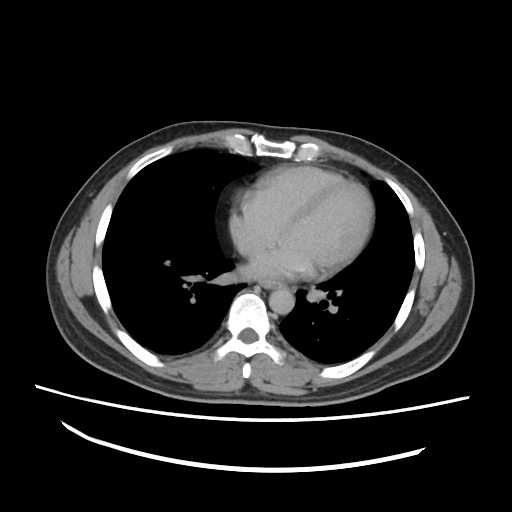
CT of the abdomen reaching into the lower chest, slice just above the liver and spleen · axial view · scan has 15 labeled organs (that count is for the whole scan; organs this slice misses have no box)
No part of the heart or lungs is labeled in this dataset, so neither has a box here.
Bounding boxes as [x1, y1, x2, y2] in pixel coordinates.
Organ bounding boxes:
- esophagus: [262, 282, 281, 289]
- aorta: [268, 286, 294, 314]
- inferior vena cava: [239, 244, 252, 249]